Computed tomography, abdomen; axial view; soft-tissue window (W 400 / L 40)
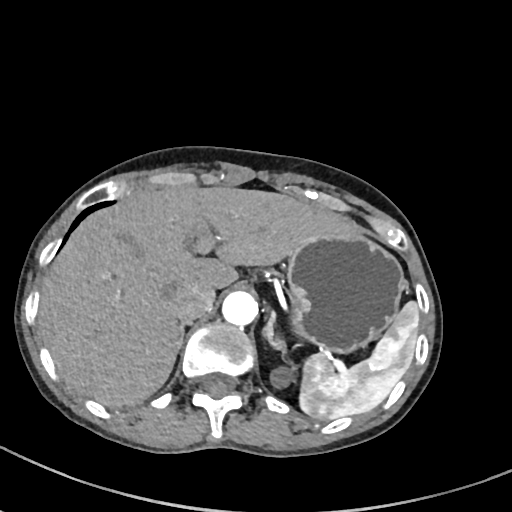 Bounding boxes as [x1, y1, x2, y2] in pixel coordinates. The annotated organs in this slice are: spleen at [298, 302, 418, 420], left kidney at [269, 368, 289, 387], liver at [38, 186, 362, 407], stomach at [285, 235, 406, 354], aorta at [221, 292, 258, 326], inferior vena cava at [174, 282, 215, 322], right adrenal gland at [179, 322, 188, 345], left adrenal gland at [262, 312, 285, 349].